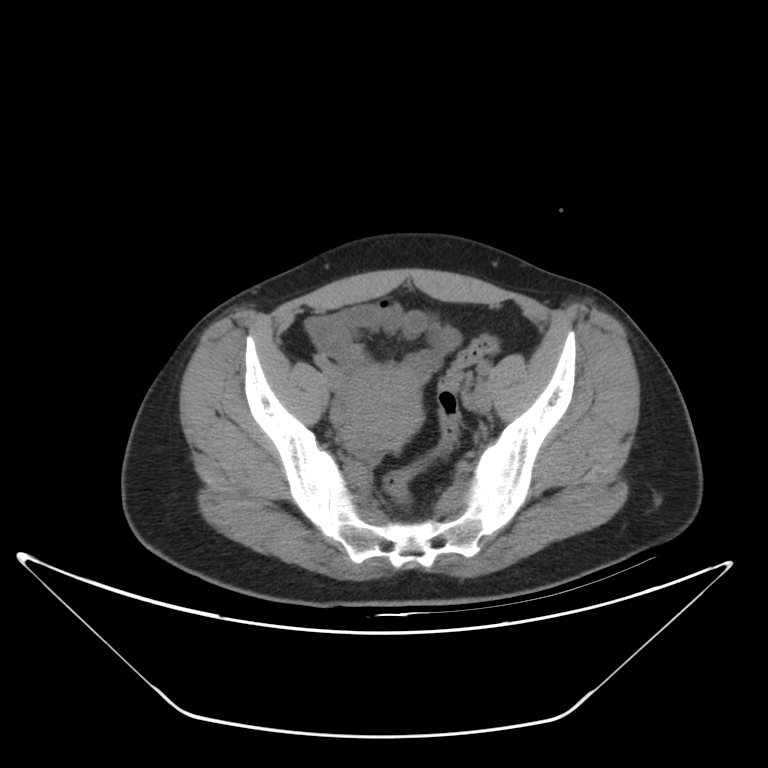
CT abdomen — axial view — 768x768 px — 39-year-old female patient — Brilliance16 scanner — scan has 15 labeled organs (that count is for the whole scan; organs this slice misses have no box)
Bounding boxes in pixels, one row per box: x1, y1 is the top-left corner and x2, y2 the bottom-right.
| organ | x1 | y1 | x2 | y2 |
|---|---|---|---|---|
| prostate/uterus | 343 | 368 | 422 | 447 |